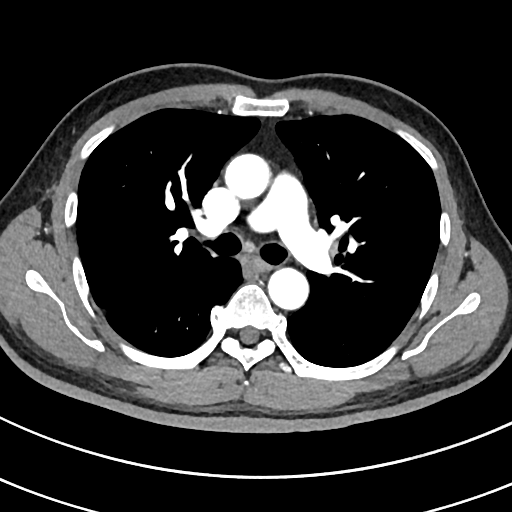

Abdominal CT reaching into the chest; this slice is in the chest · Axial slice 244/302
On a slice this high in the chest, this dataset labels only the esophagus and the aorta, and each is boxed only where it is labeled; the heart, lungs and other chest structures are not labeled.
{"organs":{"aorta":[[224,154,270,199],[268,268,309,309]],"esophagus":[245,257,270,274]}}